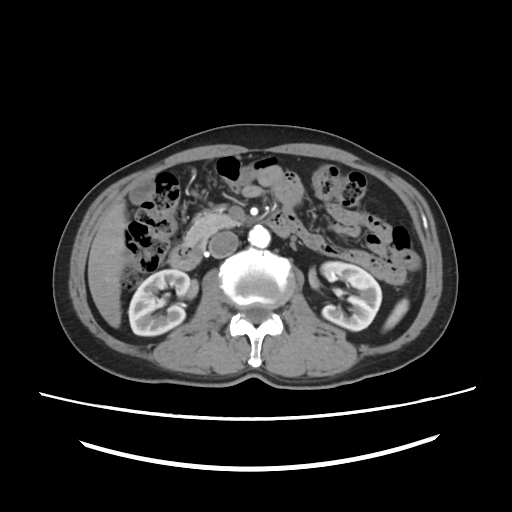
CT abdomen. axial plane, index 59. acquired on Aquilion ONE. scan has 15 labeled organs (counted over the whole 3D scan, not this slice; an organ is boxed only where this slice passes through it)
Box edges are left/top/right/bottom in pixels.
spleen: left=384, top=299, right=408, bottom=329
right kidney: left=128, top=269, right=190, bottom=335
left kidney: left=321, top=261, right=381, bottom=330
gall bladder: left=129, top=180, right=152, bottom=204
liver: left=88, top=200, right=127, bottom=327
aorta: left=248, top=225, right=270, bottom=247
inferior vena cava: left=208, top=230, right=238, bottom=258
pancreas: left=184, top=214, right=243, bottom=245
duodenum: left=169, top=212, right=299, bottom=270